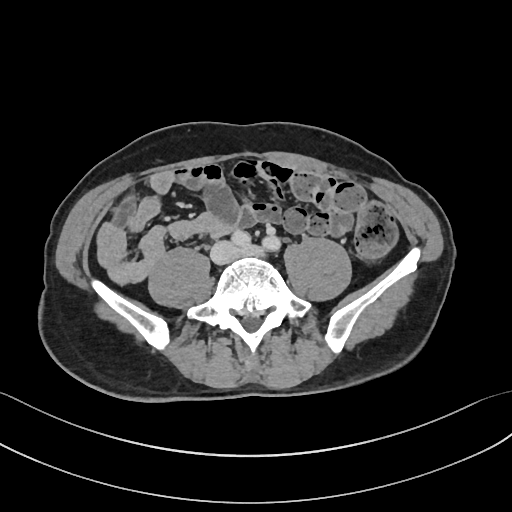

Computed tomography, abdomen · axial view · W/L 400/40 HU · 14 organs annotated in this scan (that count is for the whole scan; organs this slice misses have no box)
<organs><organ name="inferior vena cava" x1="210" y1="241" x2="234" y2="263"/></organs>